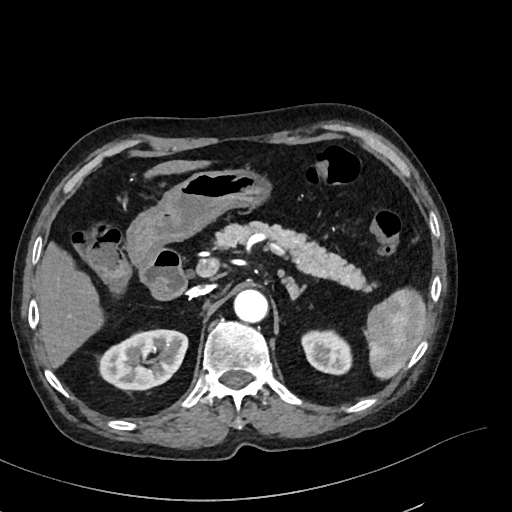
CT, abdomen/pelvis. axial plane, index 171
{"organs":{"pancreas":[213,221,375,291],"spleen":[365,288,425,379],"duodenum":[139,248,187,300],"liver":[35,160,210,367],"inferior vena cava":[187,285,211,297],"left adrenal gland":[286,282,304,300],"aorta":[233,289,268,322],"stomach":[126,168,272,267],"right kidney":[99,329,187,389],"left kidney":[301,330,352,374]}}